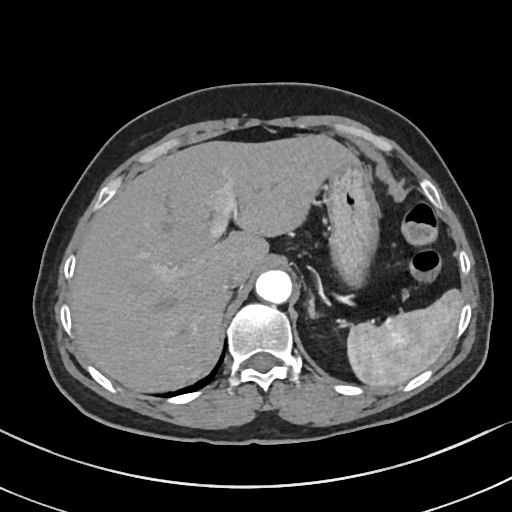

Computed tomography, abdomen. axial plane, index 173. abdomen soft-tissue window. 512x512 px. SOMATOM Force scanner
Bounding boxes in pixels, one row per box: x1, y1 is the top-left corner and x2, y2 the bottom-right.
| organ | x1 | y1 | x2 | y2 |
|---|---|---|---|---|
| spleen | 347 | 288 | 462 | 387 |
| liver | 70 | 135 | 350 | 392 |
| stomach | 324 | 156 | 378 | 285 |
| aorta | 256 | 270 | 291 | 303 |
| inferior vena cava | 220 | 266 | 248 | 290 |
| left adrenal gland | 308 | 295 | 317 | 317 |